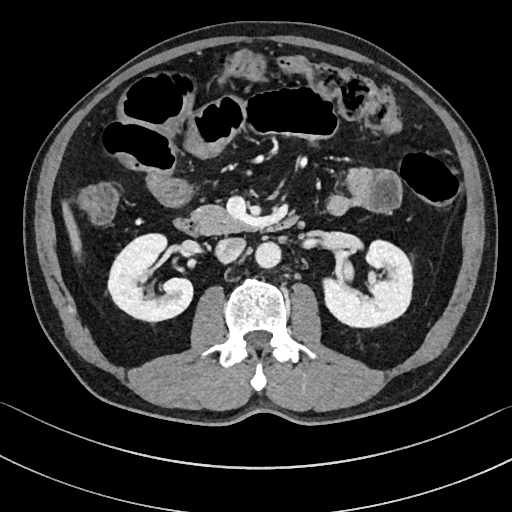
CT, abdomen/pelvis; axial view; W/L 400/40 HU
Boxes: x1 y1 x2 y2 (pixel coords, space-separated).
Organ bounding boxes:
- inferior vena cava: 215 237 245 263
- liver: 63 204 81 255
- pancreas: 192 205 248 233
- right kidney: 108 233 192 321
- aorta: 255 241 281 268
- left kidney: 323 240 412 327
- duodenum: 174 215 298 236